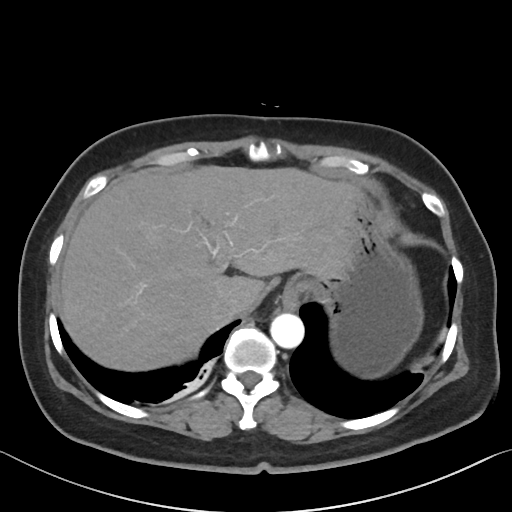

CT, abdomen/pelvis — axial view
Boxes are (x1, y1, x2, y2) in pixels.
Organ bounding boxes:
- esophagus: (281, 280, 299, 310)
- stomach: (296, 188, 423, 378)
- liver: (59, 165, 357, 371)
- aorta: (270, 313, 304, 348)
- inferior vena cava: (218, 292, 248, 318)